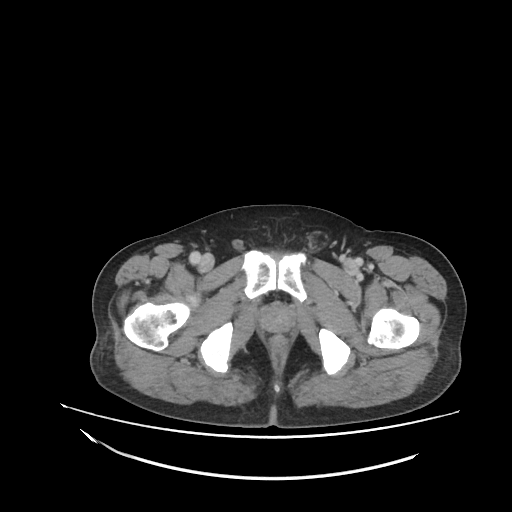 Computed tomography, abdomen · axial view · 66-year-old male patient · 15 organs annotated in this scan (that count is for the whole scan; organs this slice misses have no box)
Bounding boxes as [x1, y1, x2, y2] in pixel coordinates. The annotated organs in this slice are: prostate/uterus at [262, 305, 291, 331].